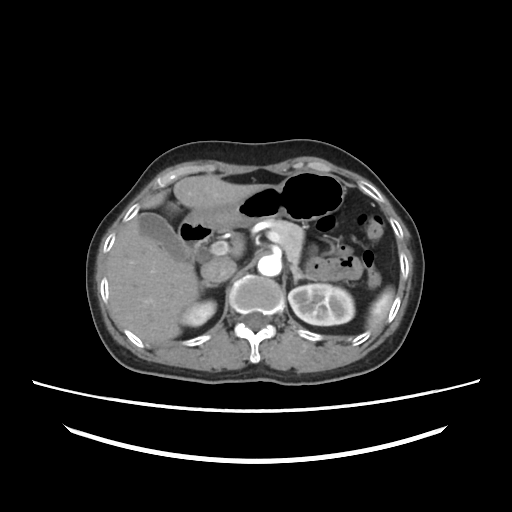
Abdominal CT · axial view
Boxes: x1 y1 x2 y2 (pixel coords, space-separated).
spleen: 367 288 394 327
right kidney: 181 300 216 326
left kidney: 288 283 354 325
gall bladder: 138 212 191 260
liver: 107 175 268 343
stomach: 185 171 345 229
aorta: 257 255 281 276
inferior vena cava: 201 257 236 282
pancreas: 272 220 304 270
right adrenal gland: 201 281 218 287
left adrenal gland: 290 266 317 283
duodenum: 178 220 214 258